Abdominal CT — axial view — 512x512 px
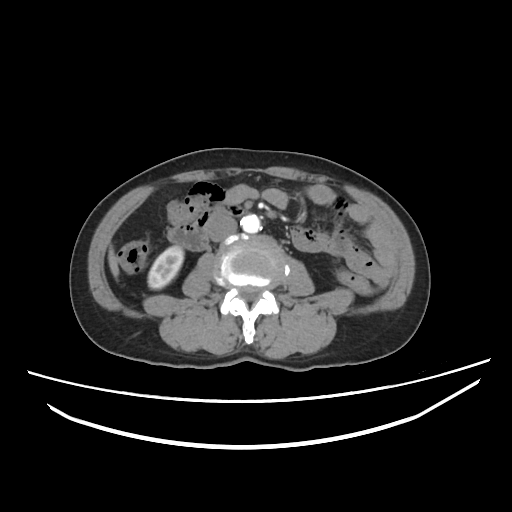

Bounding boxes in pixels, one row per box: x1, y1 is the top-left corner and x2, y2 the bottom-right.
| organ | x1 | y1 | x2 | y2 |
|---|---|---|---|---|
| aorta | 240 | 214 | 260 | 233 |
| liver | 108 | 246 | 119 | 278 |
| right kidney | 148 | 246 | 183 | 289 |
| inferior vena cava | 208 | 215 | 237 | 241 |
| duodenum | 167 | 205 | 244 | 250 |